CT, abdomen/pelvis. axial view. 512x512 px
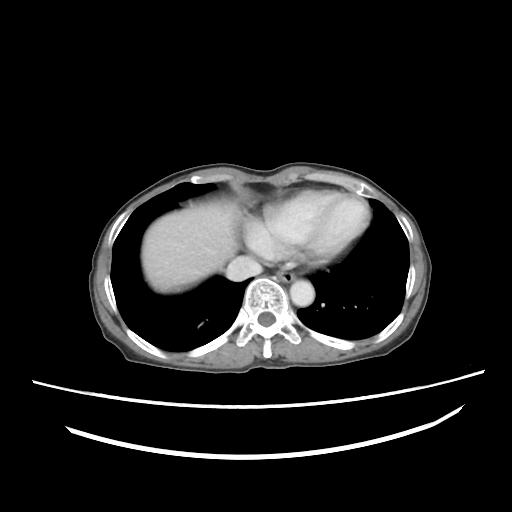

Boxes: x1 y1 x2 y2 (pixel coords, space-separated). The annotated organs in this slice are: esophagus at 276 269 294 282, liver at 141 199 239 293, aorta at 289 280 315 306, inferior vena cava at 226 255 261 281.